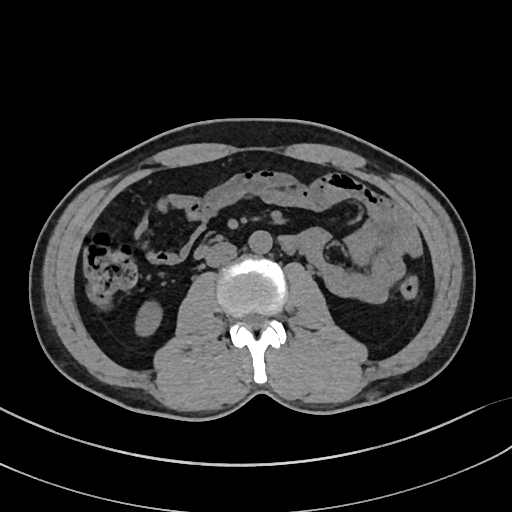

CT abdomen. Axial slice 134/228
Organ boxes in pixel coordinates; each row gives the top-left (x1, y1) and bottom-right (x2, y2) corners.
| organ | x1 | y1 | x2 | y2 |
|---|---|---|---|---|
| inferior vena cava | 205 | 242 | 237 | 267 |
| right kidney | 135 | 302 | 159 | 336 |
| aorta | 249 | 231 | 272 | 255 |